CT, abdomen/pelvis · Axial slice 74/131 · soft-tissue window (W 400 / L 40)
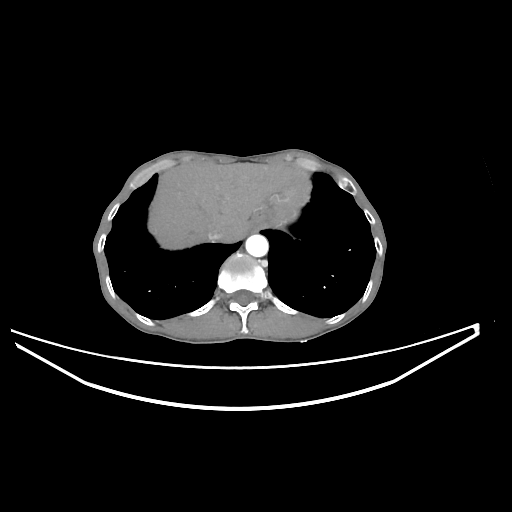
Boxes: x1 y1 x2 y2 (pixel coords, space-separated).
esophagus: 249 224 258 229
liver: 148 162 290 249
stomach: 250 172 304 225
aorta: 245 234 268 257
inferior vena cava: 207 227 225 241